Chest-level slice from an abdominal CT that extends up into the chest — axial view — soft-tissue window — 512x512 px
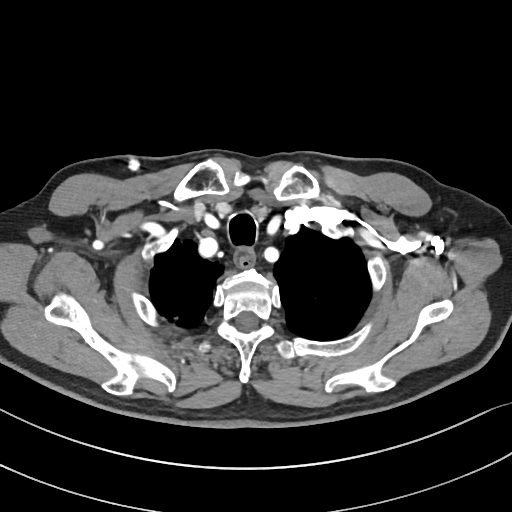
At this level of the chest this dataset labels only the esophagus and the aorta, and each is boxed only where it is labeled; the heart and lungs are never labeled.
Boxes: x1 y1 x2 y2 (pixel coords, space-separated).
Organ bounding boxes:
- esophagus: 234 246 254 267